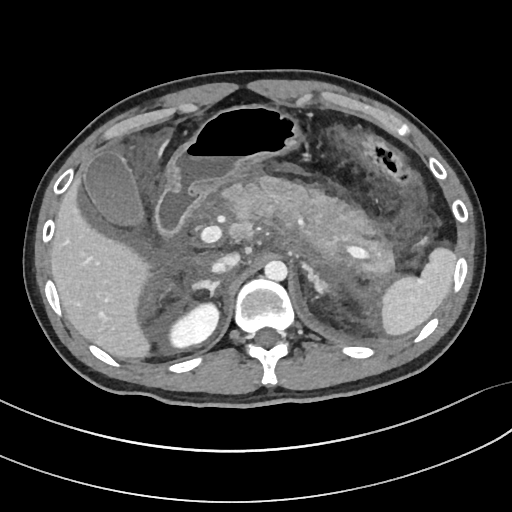
Abdominal CT; axial plane, index 177
Box edges are left/top/right/bottom in pixels. 11 labeled organs on this slice — spleen at left=380, top=249, right=455, bottom=334; right kidney at left=169, top=303, right=219, bottom=349; gall bladder at left=84, top=150, right=140, bottom=223; liver at left=50, top=185, right=150, bottom=357; stomach at left=167, top=105, right=298, bottom=196; aorta at left=264, top=260, right=287, bottom=281; inferior vena cava at left=211, top=253, right=240, bottom=273; pancreas at left=222, top=176, right=394, bottom=274; right adrenal gland at left=191, top=279, right=219, bottom=297; left adrenal gland at left=303, top=262, right=329, bottom=294; duodenum at left=154, top=189, right=200, bottom=242.